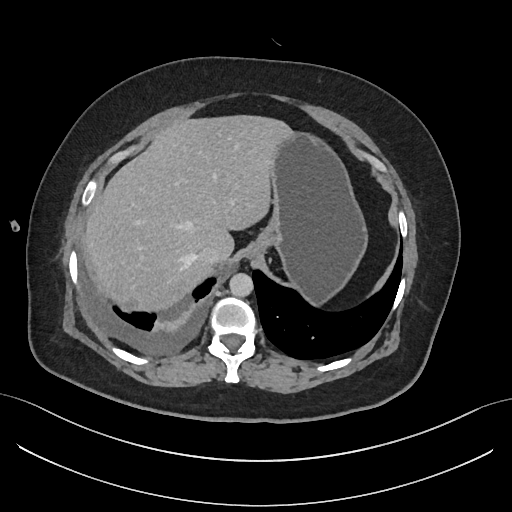

CT abdomen — axial view — 512x512 px — acquired on SOMATOM Force
Each box given as x1,y1,x2,y2.
Organ bounding boxes:
- liver: x1=86, y1=115, x2=292, y2=311
- stomach: x1=247, y1=132, x2=367, y2=304
- aorta: x1=229, y1=273, x2=253, y2=297
- inferior vena cava: x1=197, y1=244, x2=221, y2=265